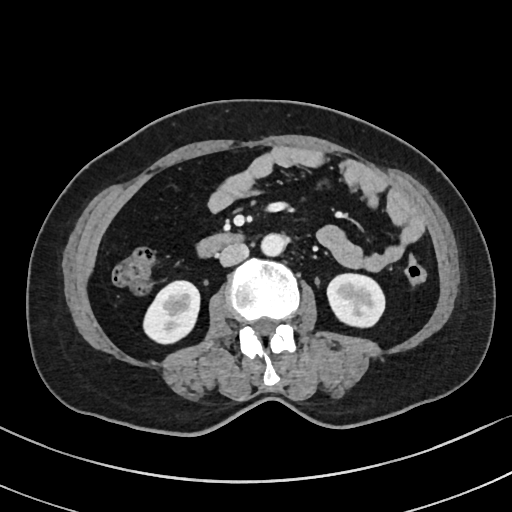
Computed tomography, abdomen — axial plane, index 131 — 512x512 px — acquired on SOMATOM Force
Bounding boxes in pixels, one row per box: x1, y1 is the top-left corner and x2, y2 the bottom-right.
| organ | x1 | y1 | x2 | y2 |
|---|---|---|---|---|
| right kidney | 143 | 281 | 199 | 342 |
| left kidney | 326 | 274 | 384 | 326 |
| aorta | 262 | 233 | 286 | 255 |
| inferior vena cava | 219 | 242 | 249 | 266 |
| duodenum | 199 | 234 | 240 | 255 |